CT, abdomen/pelvis · axial view · soft-tissue window · 15 organs annotated in this scan (that count is for the whole scan; organs this slice misses have no box)
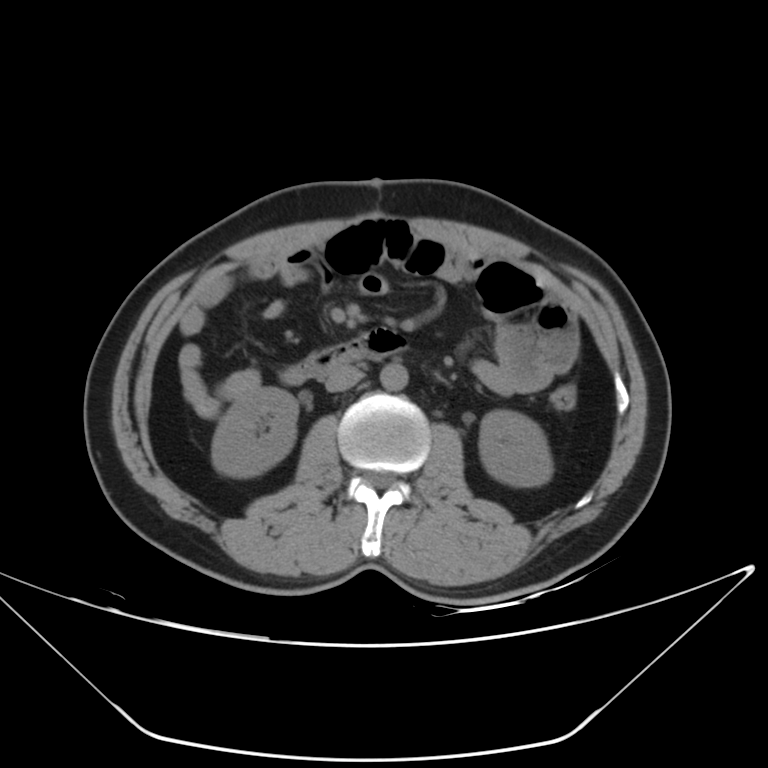 One row per box, in pixels: columns x1 and y1 give the top-left corner, x2 and y2 the bottom-right.
| organ | x1 | y1 | x2 | y2 |
|---|---|---|---|---|
| left kidney | 479 | 410 | 552 | 486 |
| inferior vena cava | 325 | 365 | 363 | 391 |
| duodenum | 280 | 328 | 407 | 384 |
| right kidney | 212 | 387 | 297 | 477 |
| aorta | 380 | 363 | 408 | 390 |